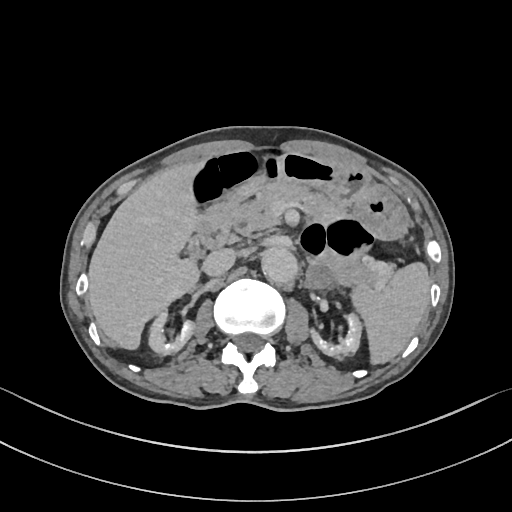 CT, abdomen/pelvis; axial view; 512x512 px; acquired on SOMATOM Force
<organs><organ name="spleen" x1="351" y1="262" x2="430" y2="364"/><organ name="right kidney" x1="149" y1="313" x2="193" y2="354"/><organ name="left kidney" x1="311" y1="314" x2="361" y2="357"/><organ name="gall bladder" x1="189" y1="245" x2="199" y2="255"/><organ name="liver" x1="88" y1="161" x2="203" y2="349"/><organ name="stomach" x1="222" y1="152" x2="408" y2="240"/><organ name="aorta" x1="261" y1="247" x2="297" y2="284"/><organ name="inferior vena cava" x1="202" y1="249" x2="235" y2="276"/><organ name="pancreas" x1="233" y1="183" x2="384" y2="286"/><organ name="left adrenal gland" x1="306" y1="263" x2="333" y2="289"/><organ name="duodenum" x1="193" y1="198" x2="239" y2="248"/></organs>